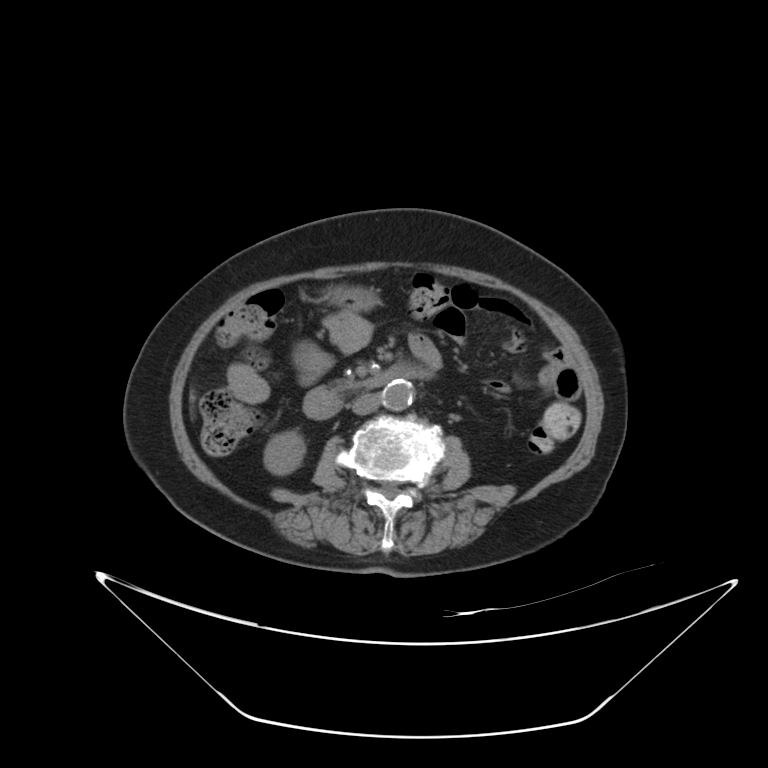
Computed tomography, abdomen; axial view; 768x768 px
<organs><organ name="right kidney" x1="264" y1="431" x2="305" y2="474"/><organ name="stomach" x1="327" y1="285" x2="378" y2="311"/><organ name="aorta" x1="382" y1="379" x2="413" y2="411"/><organ name="inferior vena cava" x1="351" y1="392" x2="381" y2="414"/><organ name="pancreas" x1="338" y1="380" x2="357" y2="388"/><organ name="duodenum" x1="302" y1="362" x2="428" y2="419"/></organs>